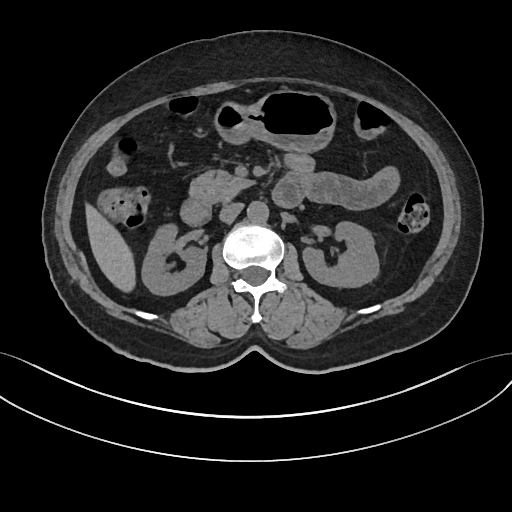 Computed tomography, abdomen; axial plane, index 129; soft-tissue window
Bounding boxes in pixels, one row per box: x1, y1 is the top-left corner and x2, y2 the bottom-right.
| organ | x1 | y1 | x2 | y2 |
|---|---|---|---|---|
| right kidney | 140 | 225 | 205 | 294 |
| left kidney | 303 | 221 | 378 | 286 |
| liver | 86 | 206 | 133 | 291 |
| stomach | 216 | 91 | 334 | 150 |
| aorta | 246 | 201 | 268 | 221 |
| inferior vena cava | 219 | 202 | 243 | 222 |
| pancreas | 190 | 170 | 253 | 202 |
| duodenum | 181 | 176 | 302 | 225 |